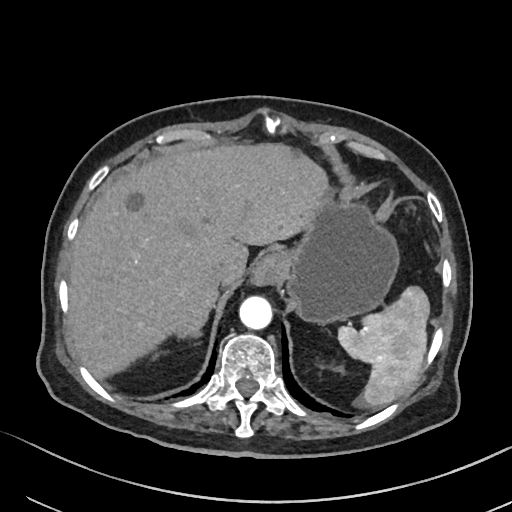

Computed tomography, abdomen · axial view · abdomen soft-tissue window
{"organs":{"spleen":[337,285,428,407],"left kidney":[332,366,343,373],"esophagus":[249,252,281,287],"liver":[69,144,326,378],"stomach":[285,199,398,324],"aorta":[239,297,272,330],"inferior vena cava":[209,261,242,285],"right adrenal gland":[176,328,200,338]}}